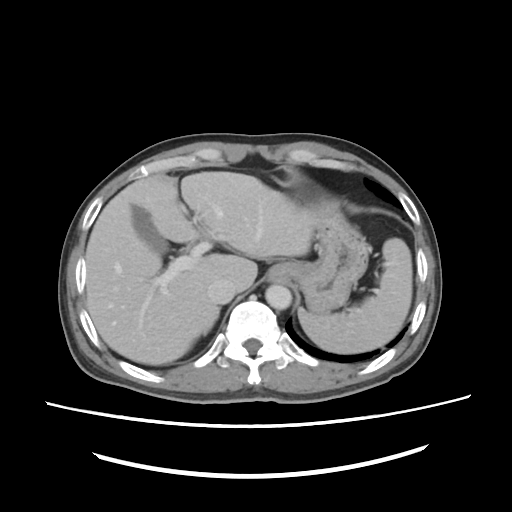 CT abdomen; axial view; 512x512 px; 45-year-old male patient; scan has 15 labeled organs (counted over the whole 3D scan, not this slice; an organ is boxed only where this slice passes through it)
{"organs":{"spleen":[297,238,411,353],"gall bladder":[130,205,166,252],"liver":[86,171,313,365],"stomach":[268,190,369,310],"aorta":[265,284,290,308],"inferior vena cava":[207,278,235,302],"right adrenal gland":[206,312,216,332]}}